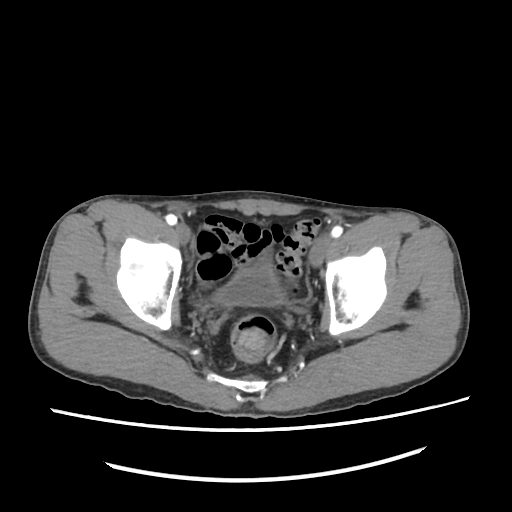 CT abdomen. axial view. acquired on Aquilion ONE. 15 organs annotated in this scan (counted over the whole 3D scan, not this slice; an organ is boxed only where this slice passes through it)
Boxes: x1 y1 x2 y2 (pixel coords, space-separated).
bladder: 213 261 288 307